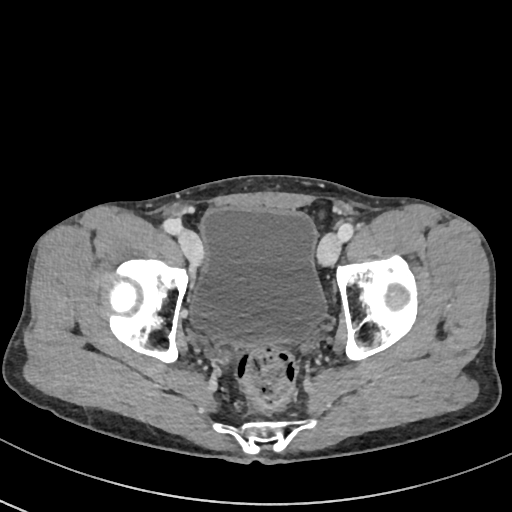
Computed tomography, abdomen — axial plane, index 51
{"organs":{"bladder":[190,207,325,343]}}